CT abdomen. axial view. abdomen soft-tissue window. 15 organs annotated in this scan (counted over the whole 3D scan, not this slice; an organ is boxed only where this slice passes through it)
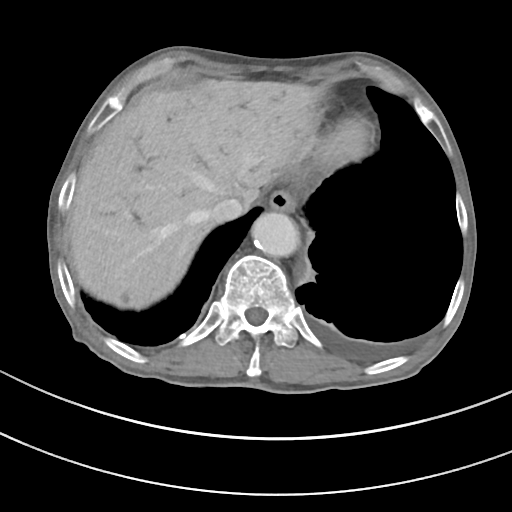 Bounding boxes in pixels, one row per box: x1, y1 is the top-left corner and x2, y2 the bottom-right.
| organ | x1 | y1 | x2 | y2 |
|---|---|---|---|---|
| esophagus | 267 | 190 | 296 | 212 |
| liver | 70 | 79 | 318 | 308 |
| aorta | 251 | 211 | 299 | 257 |
| inferior vena cava | 209 | 197 | 246 | 223 |